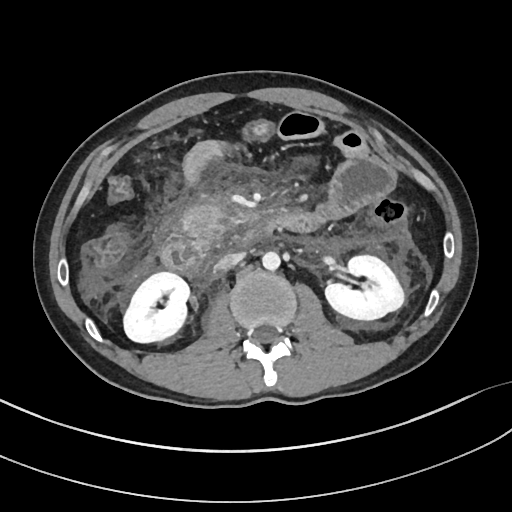 CT, abdomen/pelvis · axial view · acquired on SOMATOM Force
Organ boxes in pixel coordinates; each row gives the top-left (x1, y1) and bottom-right (x2, y2) corners.
| organ | x1 | y1 | x2 | y2 |
|---|---|---|---|---|
| right kidney | 123 | 272 | 188 | 341 |
| left kidney | 325 | 255 | 404 | 319 |
| aorta | 262 | 251 | 279 | 269 |
| inferior vena cava | 216 | 252 | 244 | 270 |
| pancreas | 181 | 202 | 229 | 245 |
| duodenum | 161 | 221 | 269 | 280 |